Computed tomography, abdomen — axial view
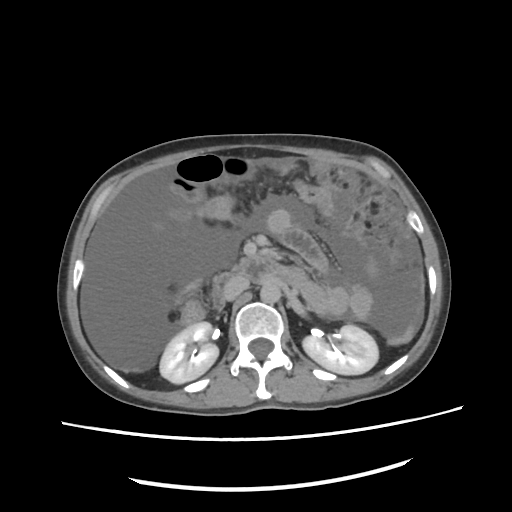

One row per box, in pixels: columns x1 and y1 give the top-left corner, x2 and y2 the bottom-right.
| organ | x1 | y1 | x2 | y2 |
|---|---|---|---|---|
| right kidney | 159 | 322 | 219 | 383 |
| aorta | 260 | 278 | 281 | 302 |
| left kidney | 303 | 324 | 378 | 373 |
| duodenum | 213 | 258 | 275 | 309 |
| inferior vena cava | 225 | 276 | 248 | 300 |